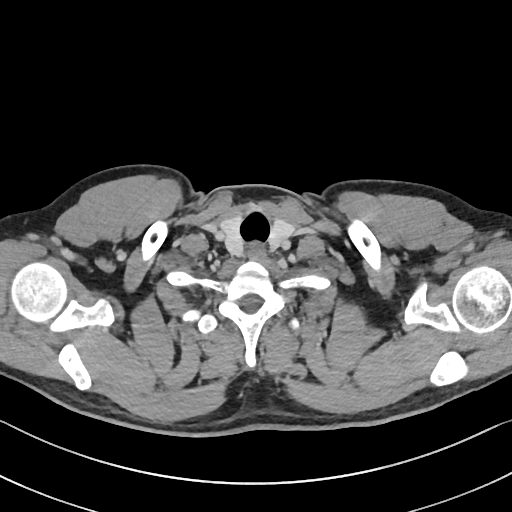
Chest-level slice from an abdominal CT that extends up into the chest — axial view — 512x512 px — scan has 15 labeled organs (that count is for the whole scan; organs this slice misses have no box)
At this level of the chest no structure but the esophagus and the aorta has a label in this dataset, and those two are boxed only where they are labeled.
<organs><organ name="esophagus" x1="249" y1="242" x2="268" y2="261"/></organs>